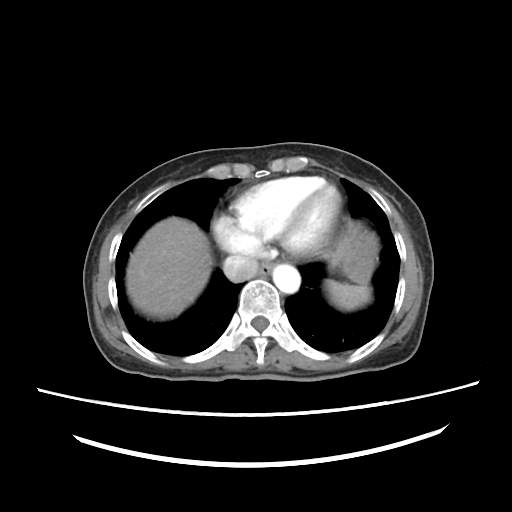

Computed tomography, abdomen; axial view; abdomen soft-tissue window; 58-year-old female patient
<organs><organ name="spleen" x1="324" y1="278" x2="371" y2="310"/><organ name="esophagus" x1="257" y1="261" x2="272" y2="276"/><organ name="liver" x1="126" y1="217" x2="375" y2="316"/><organ name="stomach" x1="333" y1="222" x2="376" y2="285"/><organ name="aorta" x1="272" y1="265" x2="300" y2="293"/><organ name="inferior vena cava" x1="222" y1="255" x2="258" y2="281"/></organs>